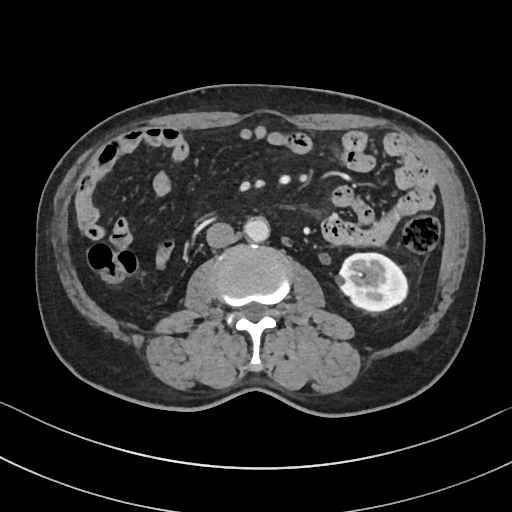
CT abdomen — Axial slice 136/221 — soft-tissue window (W 400 / L 40) — SOMATOM Force scanner
{"organs":{"left kidney":[335,253,408,310],"aorta":[243,217,269,241],"inferior vena cava":[206,222,234,247]}}